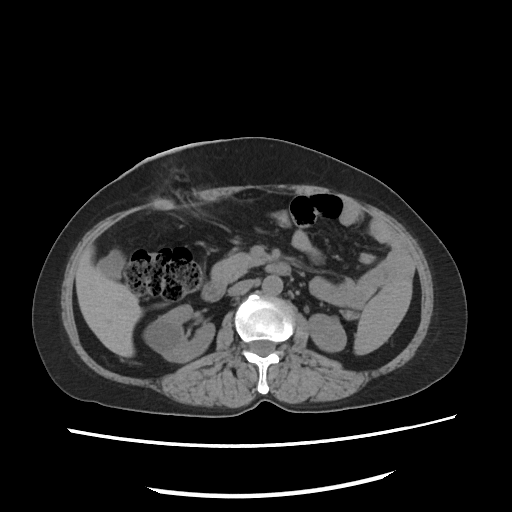 Abdominal CT. axial view. 512x512 px. Aquilion ONE scanner
{"organs":{"spleen":[354,281,414,354],"right kidney":[144,305,214,360],"left kidney":[308,314,345,351],"gall bladder":[97,252,121,276],"liver":[76,246,142,358],"aorta":[262,273,282,295],"inferior vena cava":[228,277,253,295],"pancreas":[211,253,267,282],"duodenum":[201,264,290,301]}}